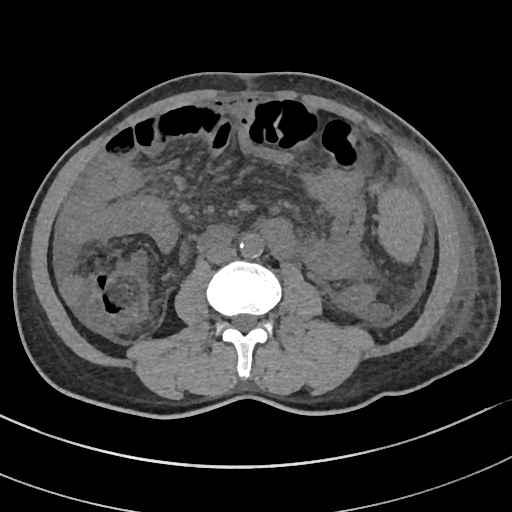 Computed tomography, abdomen · Axial slice 104/206 · 512x512 px · scan has 15 labeled organs (counted over the whole 3D scan, not this slice; an organ is boxed only where this slice passes through it)
<organs><organ name="spleen" x1="377" y1="187" x2="424" y2="262"/><organ name="aorta" x1="240" y1="233" x2="264" y2="258"/><organ name="inferior vena cava" x1="206" y1="243" x2="236" y2="263"/><organ name="duodenum" x1="197" y1="226" x2="231" y2="249"/></organs>